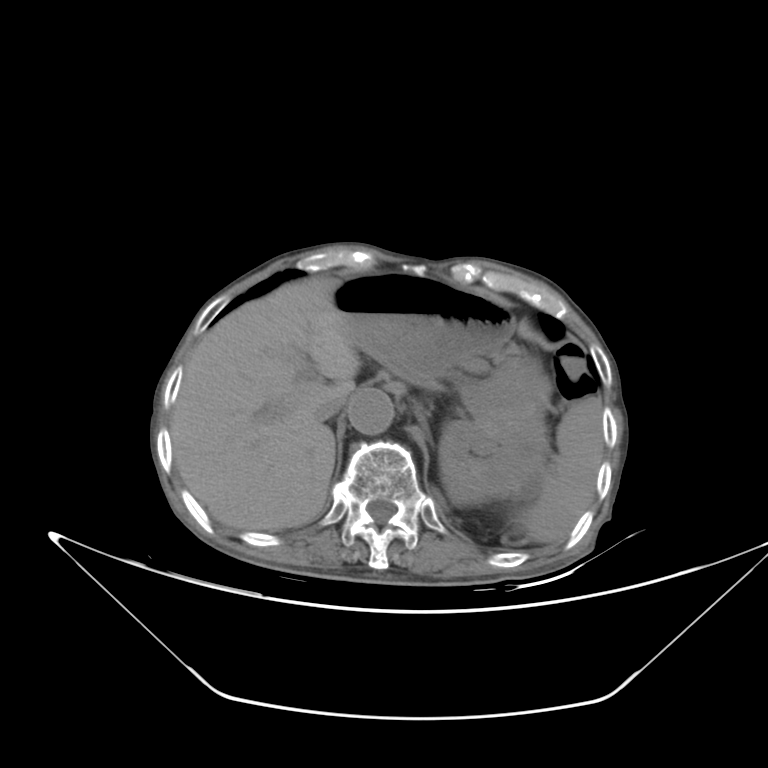

CT, abdomen/pelvis; axial view; 768x768 px; male patient aged 90 or older; scan has 15 labeled organs (a whole-scan count: organs this slice does not pass through have no box)
{"organs":{"pancreas":[486,345,524,359],"spleen":[512,395,601,544],"aorta":[348,388,393,435],"stomach":[331,274,516,383],"inferior vena cava":[314,395,347,423],"left kidney":[442,355,552,504],"liver":[170,275,359,528]}}